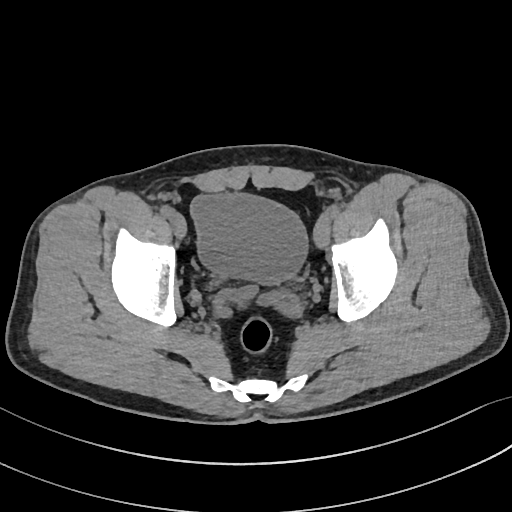 CT, abdomen/pelvis — Axial slice 47/228 — abdomen soft-tissue window — 512x512 px
Bounding boxes in pixels, one row per box: x1, y1 is the top-left corner and x2, y2 the bottom-right.
| organ | x1 | y1 | x2 | y2 |
|---|---|---|---|---|
| bladder | 190 | 193 | 308 | 284 |